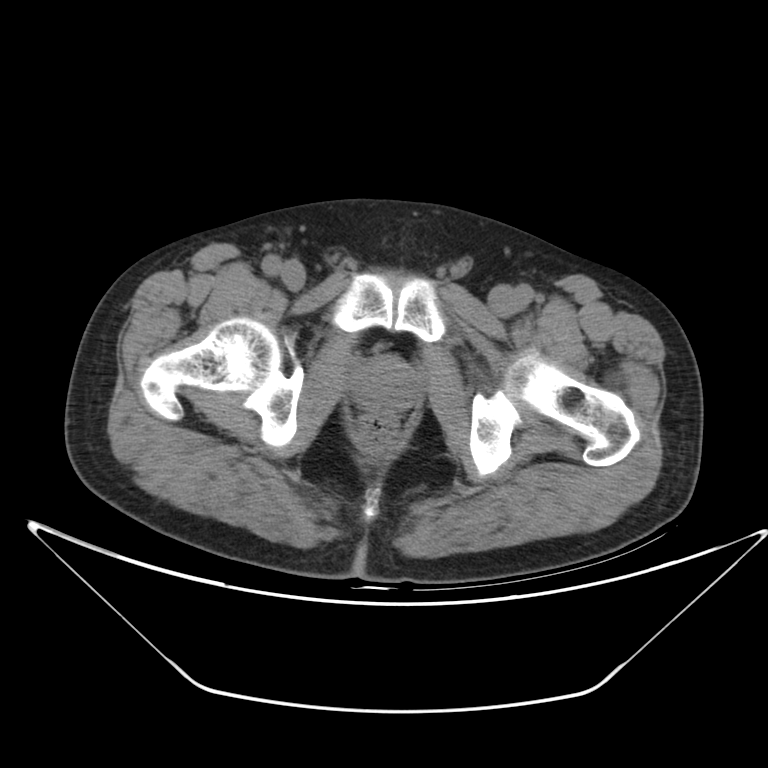
CT abdomen. Axial slice 13/87. abdomen soft-tissue window
Coordinates as <box>x1,y1,x2,y2</box> in pixels. 1 labeled organ on this slice — prostate/uterus at <box>352,358,421,411</box>.